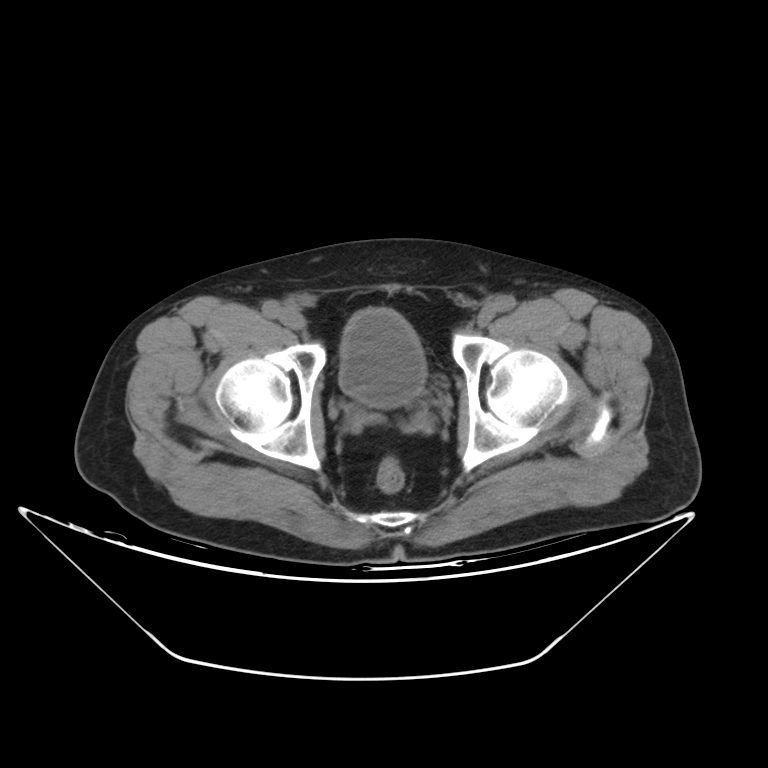
CT, abdomen/pelvis — axial plane, index 25 — 768x768 px — 71-year-old male patient — scan has 15 labeled organs (that count is for the whole scan; organs this slice misses have no box)
{"organs":{"bladder":[337,306,425,411]}}